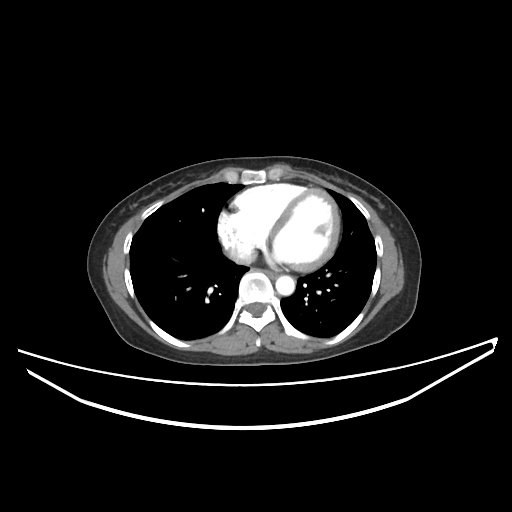
Abdominal CT; this slice is in the lower chest, just above the liver · axial plane, index 93 · soft-tissue window, W/L 400/40 · acquired on Aquilion ONE · 15 organs annotated in this scan (counted over the whole 3D scan, not this slice; an organ is boxed only where this slice passes through it)
No part of the heart or lungs is labeled in this dataset, so neither has a box here.
Organ boxes in pixel coordinates; each row gives the top-left (x1, y1) and bottom-right (x2, y2) corners.
| organ | x1 | y1 | x2 | y2 |
|---|---|---|---|---|
| esophagus | 268 | 272 | 277 | 277 |
| aorta | 275 | 276 | 294 | 295 |
| inferior vena cava | 230 | 250 | 255 | 264 |